CT, abdomen/pelvis — axial view
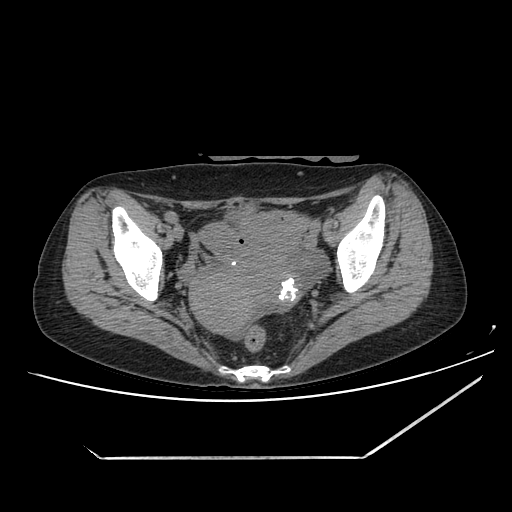 Boxes: x1 y1 x2 y2 (pixel coords, space-separated).
prostate/uterus: 189 259 304 333
bladder: 227 204 251 220